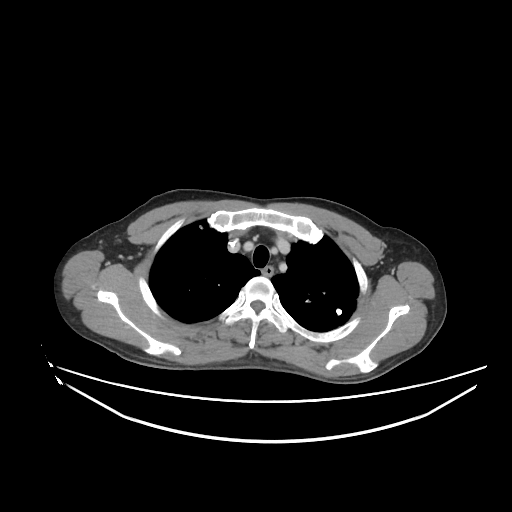
CT of the abdomen extending into the chest, slice through the chest. axial plane, index 122. 47-year-old male patient. Aquilion ONE scanner
At this level of the chest no structure but the esophagus and the aorta has a label in this dataset, and those two are boxed only where they are labeled. Box edges are left/top/right/bottom in pixels. 1 labeled organ on this slice — esophagus at left=261, top=266, right=273, bottom=276.